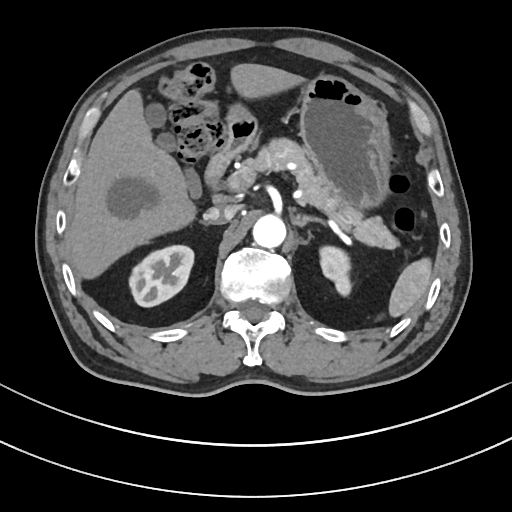
CT abdomen. axial view. W/L 400/40 HU. SOMATOM Force scanner
Coordinates as <box>x1,y1,x2,y2</box> in pixels.
Organ bounding boxes:
- inferior vena cava: <box>204,206,236,224</box>
- right kidney: <box>131,246,192,306</box>
- left kidney: <box>319,247,351,295</box>
- left adrenal gland: <box>293,216,322,227</box>
- right adrenal gland: <box>201,223,208,227</box>
- stomach: <box>227,77,389,209</box>
- pancreas: <box>256,138,400,249</box>
- duodenum: <box>205,117,257,184</box>
- liver: <box>67,63,305,277</box>
- aorta: <box>252,216,286,248</box>
- gall bladder: <box>145,104,199,196</box>
- spleen: <box>388,259,432,318</box>